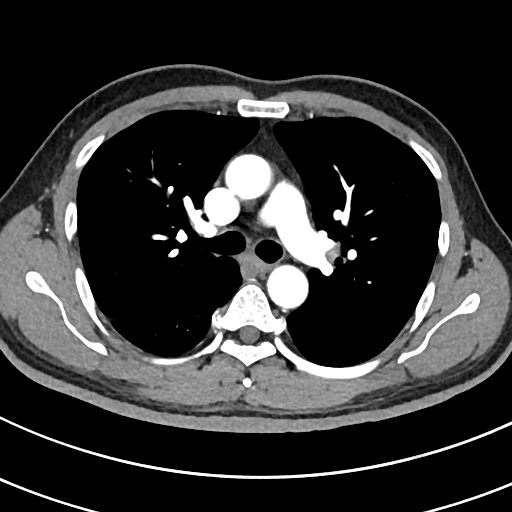 Chest-level slice from an abdominal CT that extends up into the chest · axial view
On a slice this high in the chest, this dataset labels only the esophagus and the aorta, and each is boxed only where it is labeled; the heart, lungs and other chest structures are not labeled.
{"organs":{"aorta":[[225,154,272,199],[266,265,308,308]],"esophagus":[243,257,268,274]}}